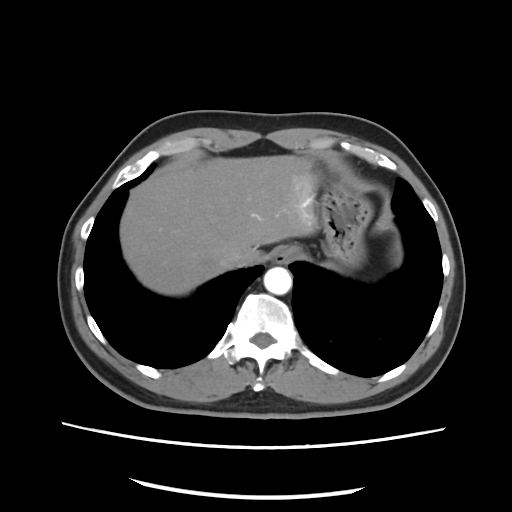

Computed tomography, abdomen — axial view — soft-tissue window — 66-year-old male patient — 15 organs annotated in this scan (that count is for the whole scan; organs this slice misses have no box)
Box edges are left/top/right/bottom in pixels. 5 labeled organs on this slice — inferior vena cava at left=223, top=257, right=249, bottom=270; stomach at left=311, top=157, right=373, bottom=265; aorta at left=264, top=267, right=292, bottom=295; esophagus at left=272, top=246, right=302, bottom=264; liver at left=118, top=156, right=317, bottom=295.